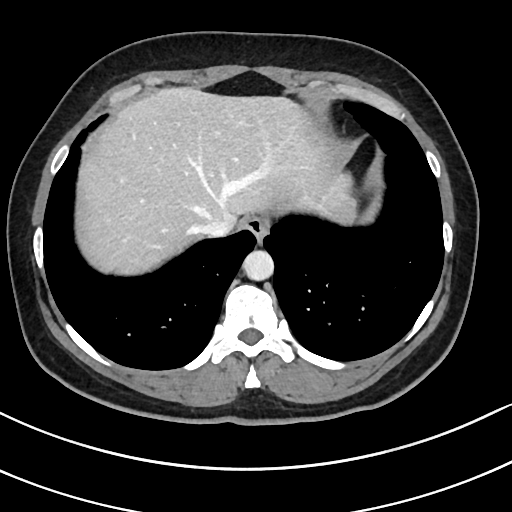
Computed tomography, abdomen; axial plane, index 185
Bounding boxes as [x1, y1, x2, y2] in pixel coordinates.
esophagus: [244, 216, 269, 242]
liver: [78, 86, 359, 276]
aorta: [242, 250, 273, 280]
inferior vena cava: [198, 216, 237, 237]